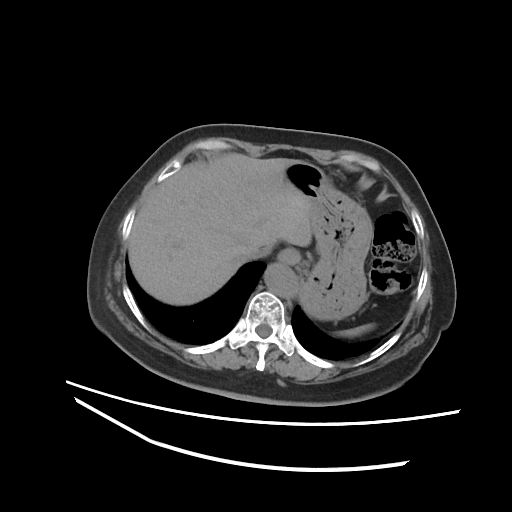

Abdominal CT — Axial slice 76/84 — abdomen soft-tissue window — 512x512 px — 57-year-old female patient
Box edges are left/top/right/bottom in pixels. The annotated organs in this slice are: spleen at left=336, top=323, right=374, bottom=337, esophagus at left=278, top=249, right=299, bottom=264, liver at left=127, top=153, right=312, bottom=305, stomach at left=285, top=161, right=372, bottom=320, aorta at left=264, top=263, right=296, bottom=297, inferior vena cava at left=243, top=245, right=271, bottom=260.